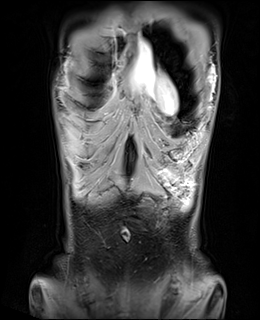
Magnetic resonance imaging, abdomen. Coronal slice 105/144. percentile-normalized. 260x320 px
Bounding boxes in pixels, one row per box: x1, y1 is the top-left corner and x2, y2 the bottom-right.
| organ | x1 | y1 | x2 | y2 |
|---|---|---|---|---|
| stomach | 158 | 150 | 190 | 188 |